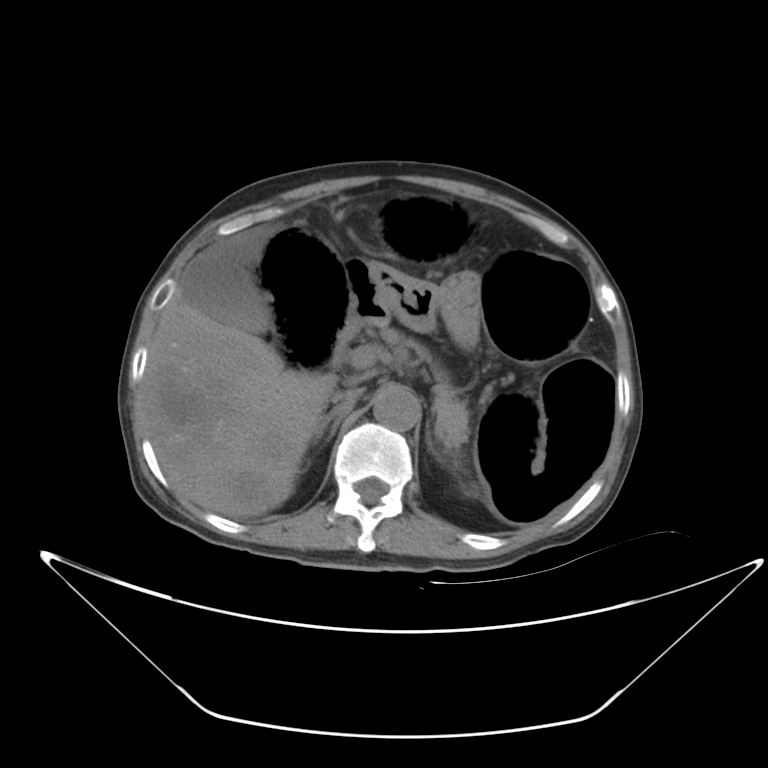 Abdominal CT · axial view · abdomen soft-tissue window · Brilliance16 scanner · scan has 15 labeled organs (that count is for the whole scan; organs this slice misses have no box)
One row per box, in pixels: columns x1 and y1 give the top-left corner, x2 and y2 the bottom-right.
| organ | x1 | y1 | x2 | y2 |
|---|---|---|---|---|
| spleen | 472 | 491 | 474 | 492 |
| gall bladder | 182 | 246 | 269 | 334 |
| liver | 138 | 238 | 334 | 518 |
| stomach | 365 | 261 | 484 | 348 |
| aorta | 373 | 388 | 419 | 431 |
| inferior vena cava | 331 | 388 | 364 | 407 |
| pancreas | 379 | 326 | 469 | 447 |
| right adrenal gland | 308 | 404 | 351 | 463 |
| left adrenal gland | 426 | 430 | 445 | 464 |
| duodenum | 330 | 258 | 386 | 371 |